CT abdomen — axial view — 512x512 px — 54-year-old male patient — Aquilion ONE scanner
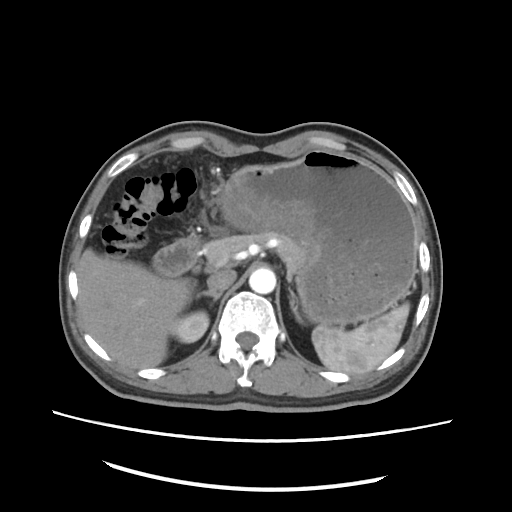
<organs><organ name="spleen" x1="310" y1="303" x2="409" y2="373"/><organ name="right kidney" x1="170" y1="310" x2="208" y2="343"/><organ name="liver" x1="76" y1="248" x2="193" y2="367"/><organ name="stomach" x1="220" y1="151" x2="416" y2="325"/><organ name="aorta" x1="249" y1="267" x2="276" y2="294"/><organ name="inferior vena cava" x1="207" y1="269" x2="236" y2="292"/><organ name="pancreas" x1="206" y1="233" x2="304" y2="274"/><organ name="right adrenal gland" x1="198" y1="291" x2="221" y2="300"/><organ name="left adrenal gland" x1="288" y1="286" x2="307" y2="324"/><organ name="duodenum" x1="151" y1="237" x2="198" y2="275"/></organs>